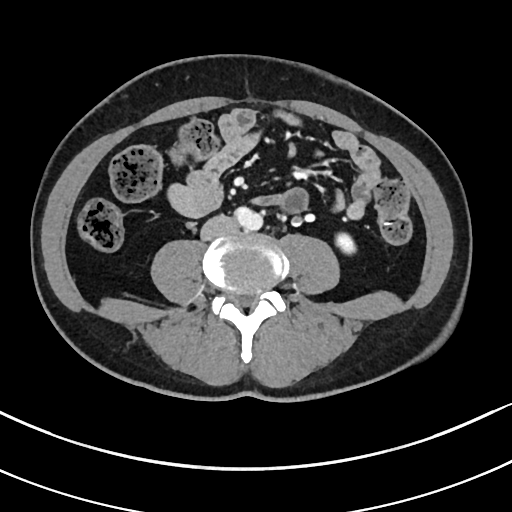

CT abdomen; Axial slice 103/206; 15 organs annotated in this scan (a whole-scan count: organs this slice does not pass through have no box)
One row per box, in pixels: columns x1 and y1 give the top-left corner, x2 and y2 the bottom-right.
| organ | x1 | y1 | x2 | y2 |
|---|---|---|---|---|
| left kidney | 334 | 232 | 354 | 253 |
| aorta | 233 | 206 | 263 | 230 |
| inferior vena cava | 201 | 215 | 236 | 240 |